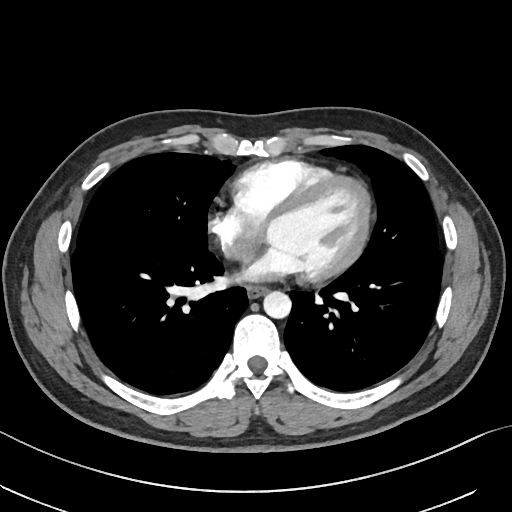

CT of the abdomen reaching into the lower chest, slice just above the liver and spleen · axial view · 512x512 px · scan has 15 labeled organs (that count is for the whole scan; organs this slice misses have no box)
Of the structures in the chest, this dataset labels only the esophagus, the aorta and the inferior vena cava; the heart and lungs have no label.
{"organs":{"esophagus":[246,285,267,297],"aorta":[263,290,290,317]}}